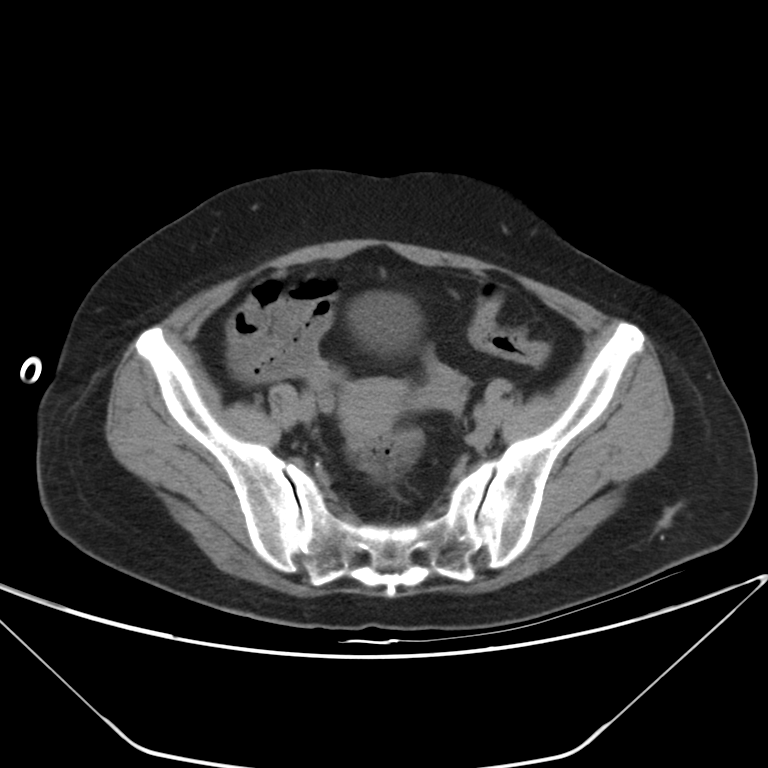 Computed tomography, abdomen. axial view. 66-year-old female patient
{"organs":{"bladder":[348,292,420,352],"prostate/uterus":[339,378,406,436]}}